Abdominal CT · axial view
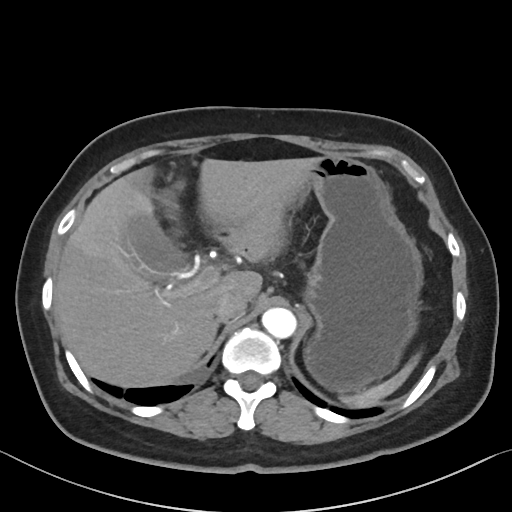

Bounding boxes in pixels, one row per box: x1, y1 is the top-left corner and x2, y2 the bottom-right.
| organ | x1 | y1 | x2 | y2 |
|---|---|---|---|---|
| spleen | 340 | 354 | 419 | 407 |
| gall bladder | 119 | 213 | 186 | 280 |
| liver | 54 | 158 | 314 | 387 |
| stomach | 287 | 155 | 423 | 392 |
| aorta | 261 | 307 | 296 | 338 |
| inferior vena cava | 213 | 291 | 246 | 321 |
| right adrenal gland | 217 | 321 | 219 | 326 |